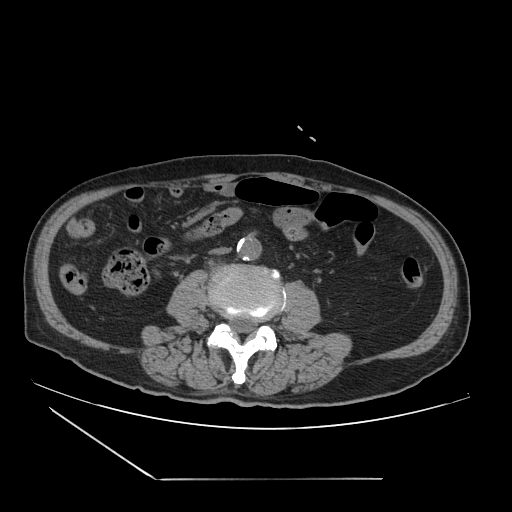

CT abdomen; axial view; soft-tissue window (W 400 / L 40); 512x512 px
One row per box, in pixels: columns x1 and y1 give the top-left corner, x2 and y2 the bottom-right.
| organ | x1 | y1 | x2 | y2 |
|---|---|---|---|---|
| aorta | 236 | 236 | 261 | 260 |
| inferior vena cava | 211 | 247 | 230 | 256 |